Computed tomography, abdomen; axial view; abdomen soft-tissue window
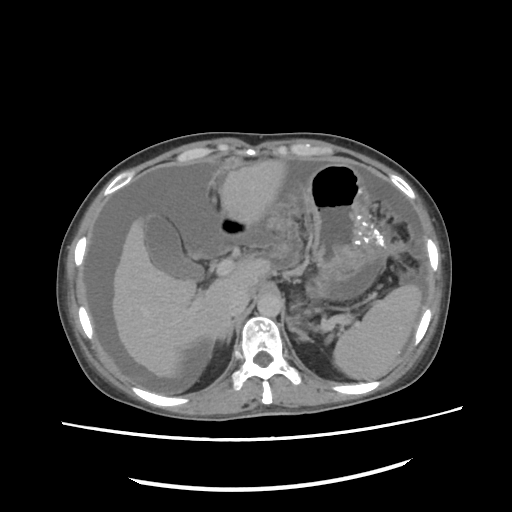 Boxes: x1:y1:x2:y2 in pixels.
Organ bounding boxes:
- right adrenal gland: 218:321:235:350
- duodenum: 218:215:252:240
- liver: 111:160:286:378
- spleen: 333:284:422:380
- stomach: 297:165:383:323
- left adrenal gland: 286:320:311:341
- inferior vena cava: 227:290:250:316
- gall bladder: 143:216:203:280
- aorta: 257:295:282:316